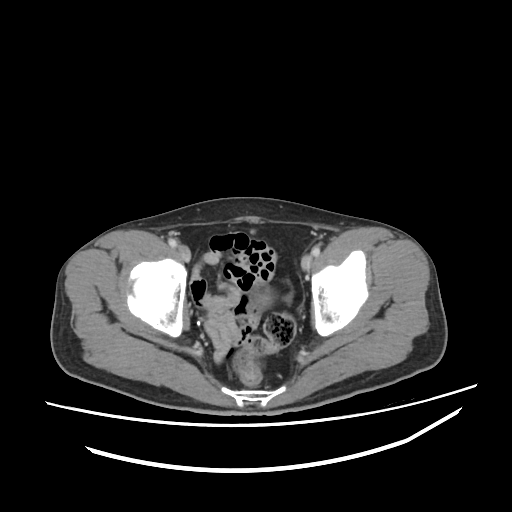
Abdominal CT; axial view
<organs><organ name="bladder" x1="257" y1="293" x2="269" y2="305"/></organs>